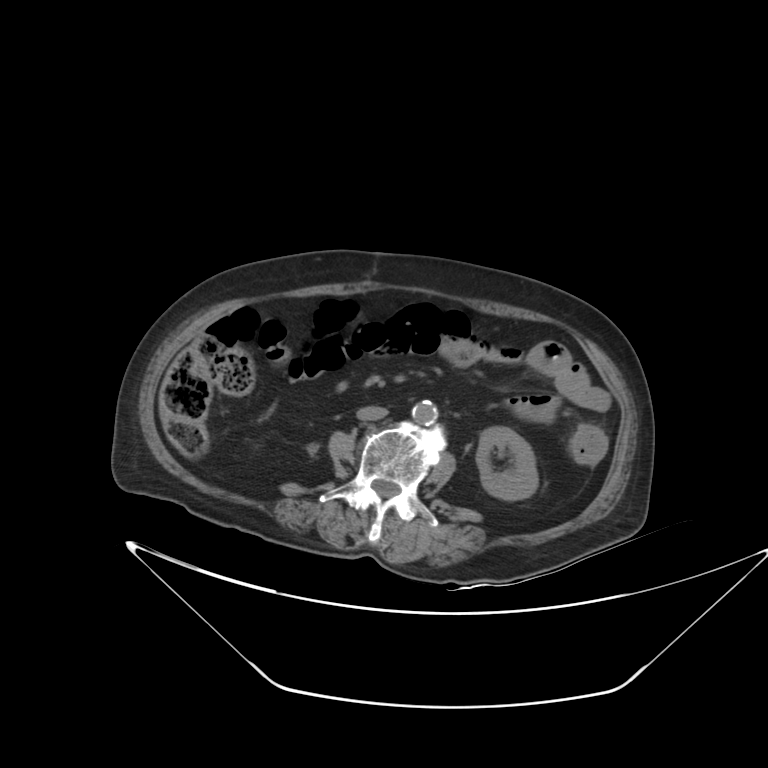

CT, abdomen/pelvis; axial view; W/L 400/40 HU; Brilliance16 scanner
{"organs":{"left kidney":[476,426,538,500],"aorta":[412,400,437,425],"inferior vena cava":[356,406,388,420]}}